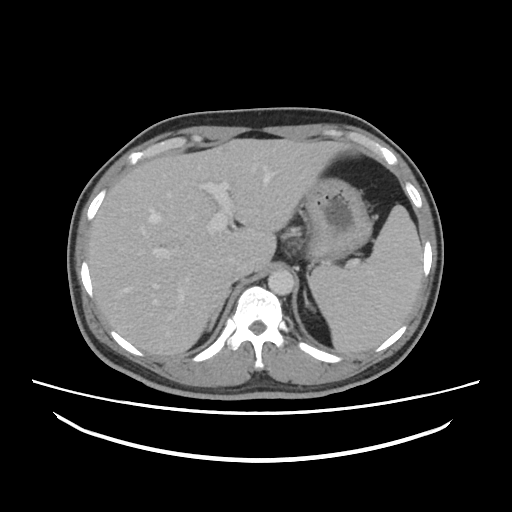
CT abdomen. Axial slice 83/133. soft-tissue window (W 400 / L 40)
<organs><organ name="spleen" x1="308" y1="205" x2="422" y2="352"/><organ name="liver" x1="88" y1="138" x2="376" y2="356"/><organ name="right adrenal gland" x1="208" y1="290" x2="232" y2="330"/><organ name="stomach" x1="304" y1="178" x2="372" y2="264"/><organ name="inferior vena cava" x1="230" y1="259" x2="251" y2="281"/><organ name="aorta" x1="268" y1="269" x2="294" y2="295"/><organ name="left adrenal gland" x1="303" y1="288" x2="313" y2="309"/></organs>